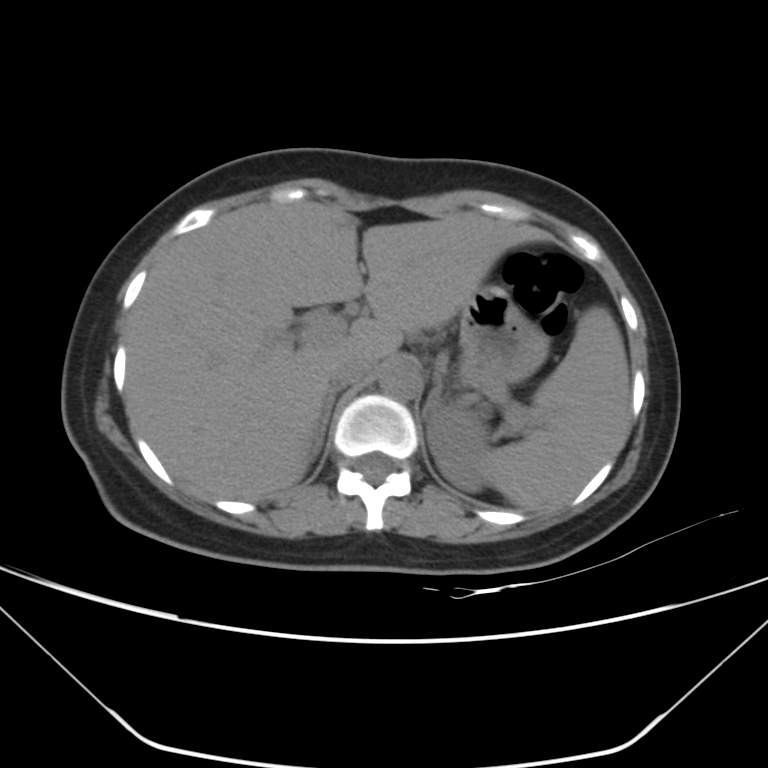
Abdominal CT. axial view. 768x768 px. acquired on Brilliance16
Organ boxes in pixel coordinates; each row gives the top-left (x1, y1) and bottom-right (x2, y2) corners.
| organ | x1 | y1 | x2 | y2 |
|---|---|---|---|---|
| spleen | 485 | 306 | 630 | 512 |
| left kidney | 426 | 406 | 490 | 491 |
| liver | 125 | 200 | 545 | 500 |
| stomach | 458 | 286 | 549 | 390 |
| aorta | 379 | 360 | 420 | 400 |
| inferior vena cava | 328 | 355 | 373 | 388 |
| right adrenal gland | 311 | 391 | 336 | 457 |
| left adrenal gland | 423 | 381 | 442 | 417 |